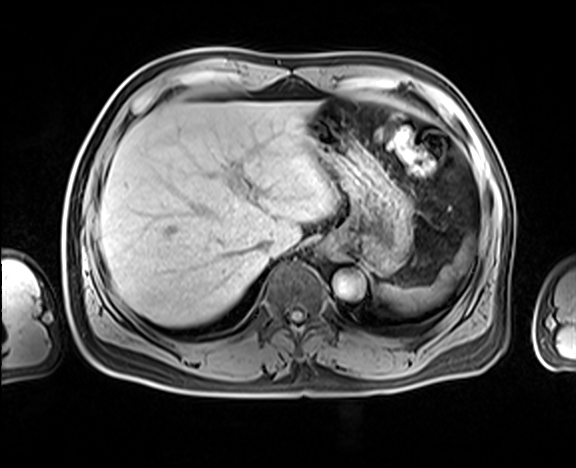
Magnetic resonance imaging, abdomen — axial view — 1st–99th percentile window — 13 organs annotated in this scan (counted over the whole 3D scan, not this slice; an organ is boxed only where this slice passes through it)
<organs><organ name="spleen" x1="379" y1="234" x2="474" y2="312"/><organ name="esophagus" x1="319" y1="240" x2="330" y2="252"/><organ name="liver" x1="100" y1="101" x2="338" y2="326"/><organ name="stomach" x1="306" y1="103" x2="413" y2="275"/><organ name="aorta" x1="333" y1="273" x2="364" y2="298"/><organ name="inferior vena cava" x1="257" y1="238" x2="272" y2="254"/></organs>